Lower-chest slice from an abdominal CT, just above the liver and spleen — axial view — soft-tissue window (W 400 / L 40)
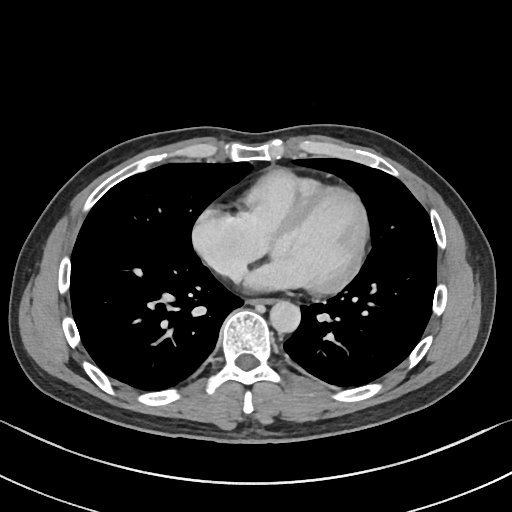
The heart and lungs are never labeled in this dataset, so they have no box on this slice.
{"organs":{"esophagus":[251,298,274,304],"aorta":[270,301,300,332]}}